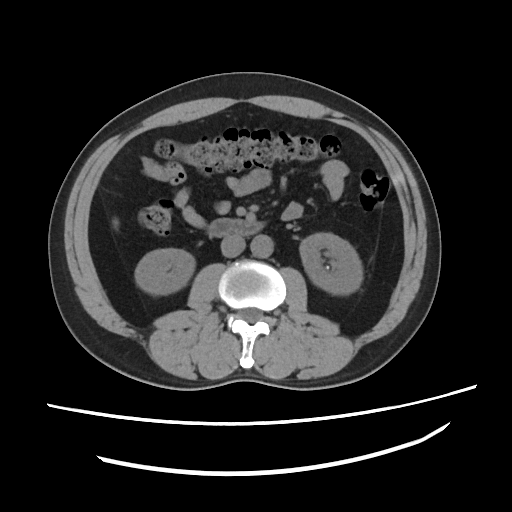
CT abdomen. Axial slice 57/92. soft-tissue window. 15 organs annotated in this scan (counted over the whole 3D scan, not this slice; an organ is boxed only where this slice passes through it)
Boxes are (x1, y1, x2, y2) in pixels.
right kidney: (135, 248, 192, 295)
left kidney: (299, 232, 361, 295)
liver: (113, 219, 117, 228)
aorta: (251, 234, 273, 258)
inferior vena cava: (220, 234, 244, 256)
duodenum: (208, 218, 262, 238)